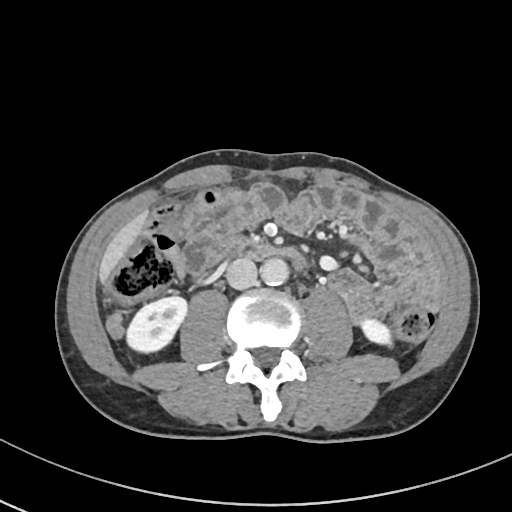
Abdominal CT; Axial slice 124/306; 512x512 px; scan has 15 labeled organs (counted over the whole 3D scan, not this slice; an organ is boxed only where this slice passes through it)
Coordinates as <box>x1,y1,x2,y2</box> in pixels.
Organ bounding boxes:
- liver: <box>97,210,148,285</box>
- aorta: <box>261,258,289,285</box>
- right kidney: <box>125,296,188,352</box>
- inferior vena cava: <box>226,258,257,289</box>
- duodenum: <box>229,236,309,268</box>
- left kidney: <box>358,316,394,348</box>